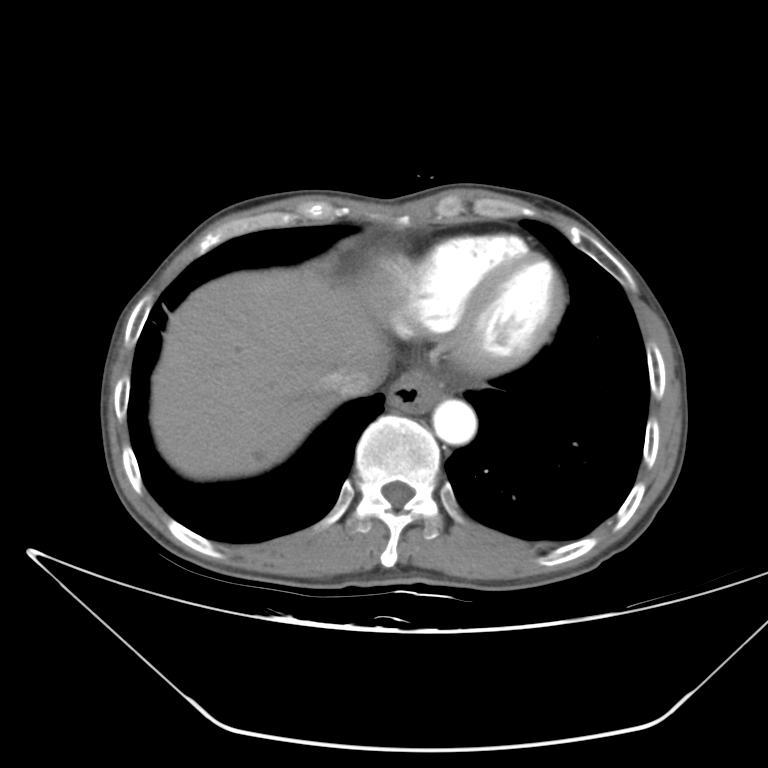

CT abdomen. axial view. abdomen soft-tissue window. acquired on Brilliance16
Boxes are (x1, y1, x2, y2) in pixels.
esophagus: (388, 372, 445, 411)
liver: (150, 266, 387, 479)
stomach: (411, 371, 437, 381)
aorta: (432, 399, 476, 444)
inferior vena cava: (325, 366, 385, 404)